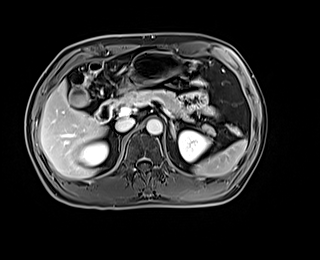 Abdominal MR · axial plane, index 20 · 1st–99th percentile window · 320x260 px · 13 organs annotated in this scan (that count is for the whole scan; organs this slice misses have no box)
{"organs":{"right kidney":[77,142,108,166],"liver":[40,81,105,179],"spleen":[193,139,247,176],"pancreas":[116,89,215,135],"aorta":[146,119,162,134],"stomach":[120,52,193,91],"duodenum":[94,99,115,123],"left adrenal gland":[170,121,175,139],"left kidney":[178,130,209,161],"inferior vena cava":[115,118,135,131],"gall bladder":[69,88,88,106]}}